Computed tomography, abdomen — Axial slice 12/88 — 768x768 px
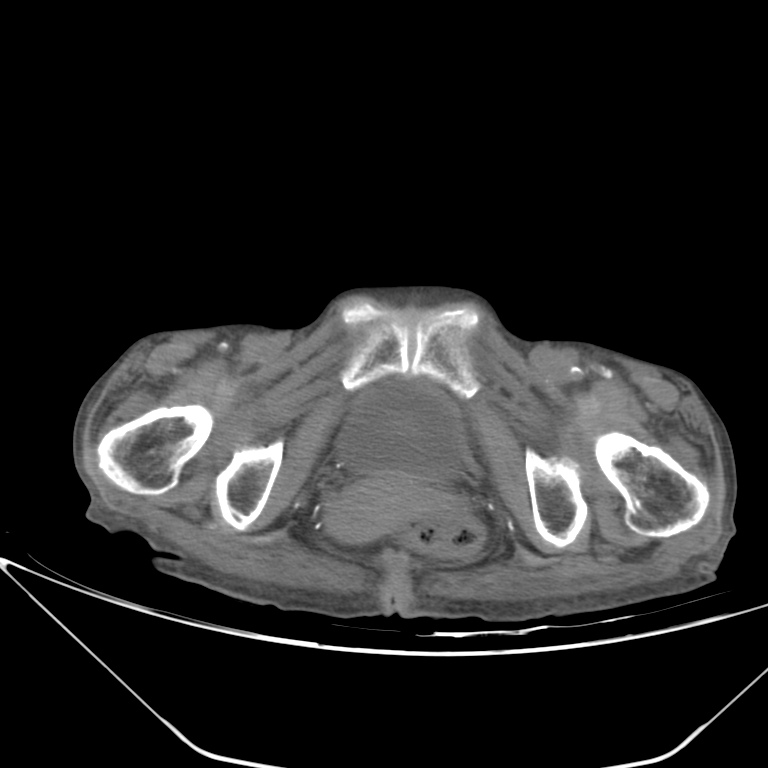 Boxes: x1 y1 x2 y2 (pixel coords, space-separated). The annotated organs in this slice are: prostate/uterus at 328 476 423 542, bladder at 338 379 465 479.